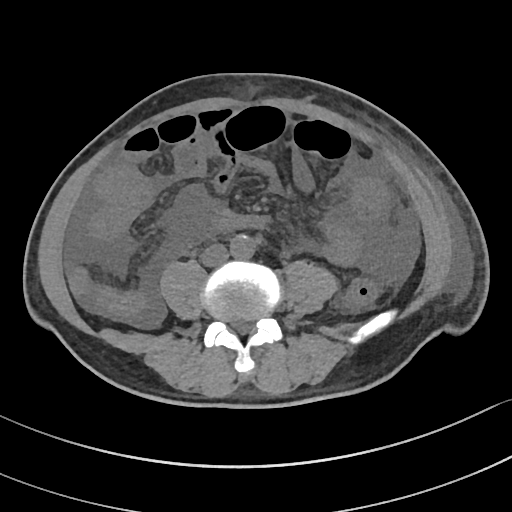 CT abdomen · axial view · abdomen soft-tissue window · 512x512 px
Boxes: x1 y1 x2 y2 (pixel coords, space-separated). 2 labeled organs on this slice — inferior vena cava at 201 244 229 265; aorta at 230 234 255 258.